CT abdomen · axial view · acquired on SOMATOM Force
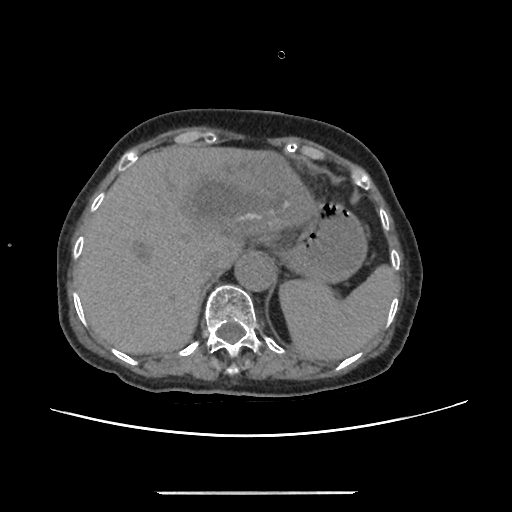

{"organs":{"spleen":[279,264,399,361],"liver":[74,145,317,354],"stomach":[283,200,367,282],"aorta":[234,253,275,291],"inferior vena cava":[199,252,220,273]}}